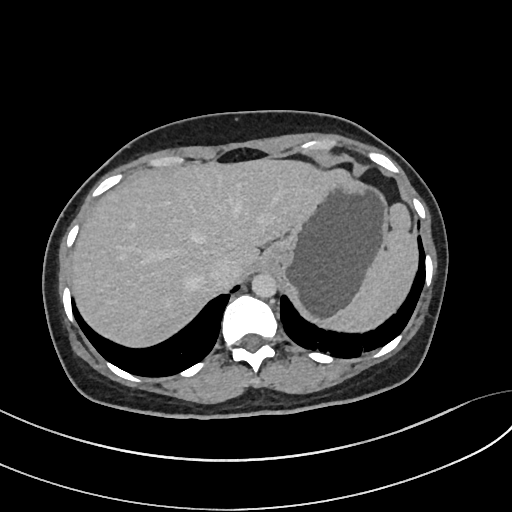
CT abdomen — axial view
Box edges are left/top/right/bottom in pixels.
stomach: left=258, top=175, right=388, bottom=321
spleen: left=321, top=203, right=417, bottom=331
aorta: left=251, top=273, right=276, bottom=298
inferior vena cava: left=206, top=257, right=241, bottom=285
liver: left=72, top=158, right=346, bottom=346